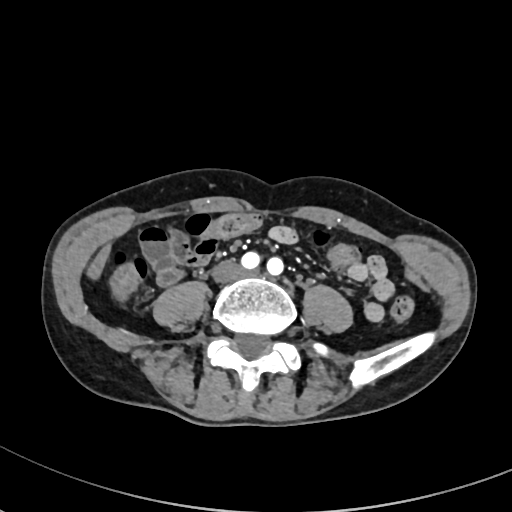

CT, abdomen/pelvis — axial plane, index 99 — acquired on SOMATOM Force
Coordinates as <box>x1,y1,x2,y2</box> in pixels.
inferior vena cava: <box>214,262,242,282</box>